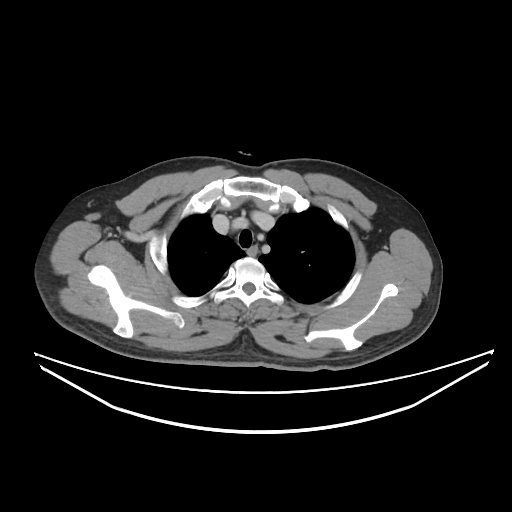

Chest-level slice from an abdominal CT that extends up into the chest. Axial slice 121/131. soft-tissue window (W 400 / L 40)
At this level of the chest no structure but the esophagus and the aorta has a label in this dataset, and those two are boxed only where they are labeled.
Boxes: x1 y1 x2 y2 (pixel coords, space-separated).
Organ bounding boxes:
- esophagus: 247 246 257 257